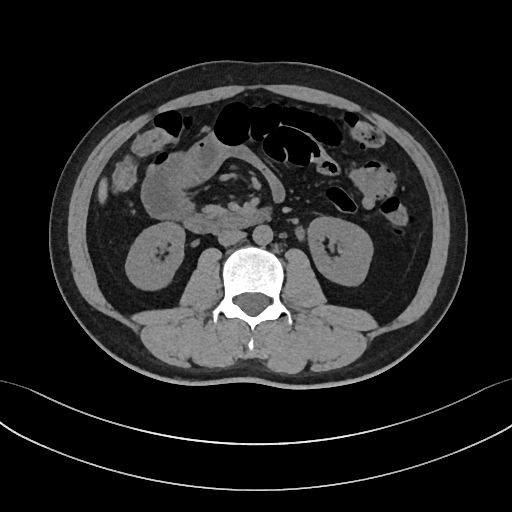

CT abdomen. axial view. abdomen soft-tissue window. scan has 15 labeled organs (that count is for the whole scan; organs this slice misses have no box)
<organs><organ name="left kidney" x1="307" y1="216" x2="372" y2="284"/><organ name="inferior vena cava" x1="218" y1="229" x2="245" y2="245"/><organ name="aorta" x1="252" y1="224" x2="273" y2="244"/><organ name="pancreas" x1="203" y1="206" x2="222" y2="213"/><organ name="liver" x1="100" y1="178" x2="106" y2="202"/><organ name="duodenum" x1="183" y1="210" x2="267" y2="233"/><organ name="right kidney" x1="126" y1="222" x2="184" y2="288"/></organs>